Chest-level slice from an abdominal CT that extends up into the chest; Axial slice 238/284; soft-tissue window, W/L 400/40
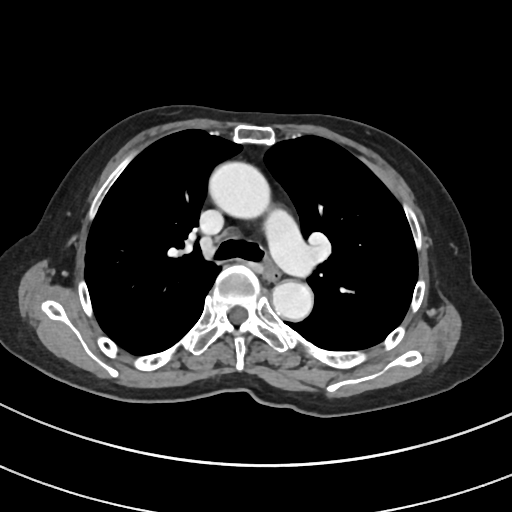

At this level of the chest no structure but the esophagus and the aorta has a label in this dataset, and those two are boxed only where they are labeled. Boxes: x1 y1 x2 y2 (pixel coords, space-separated). 2 labeled organs on this slice — esophagus at 264 262 279 280; aorta at 209 162 270 219; aorta at 272 280 313 320.